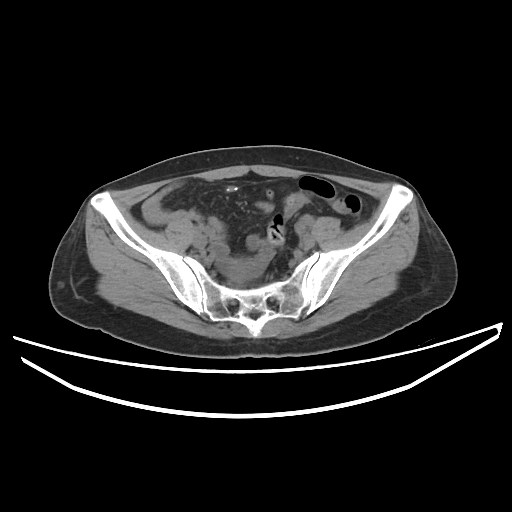

Abdominal CT; Axial slice 25/81; 50-year-old female patient
<organs><organ name="prostate/uterus" x1="229" y1="266" x2="245" y2="281"/></organs>